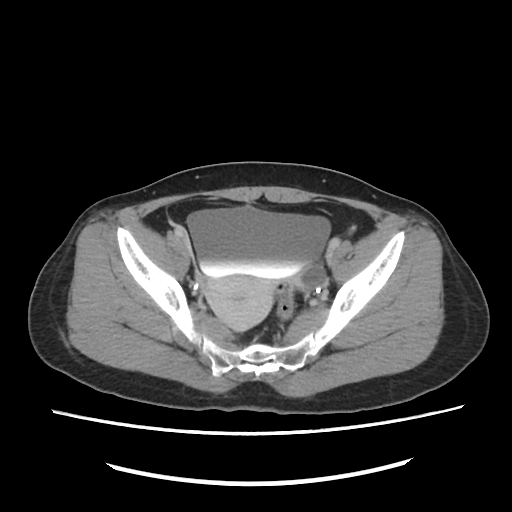 CT, abdomen/pelvis · Axial slice 23/85 · acquired on Aquilion ONE · scan has 15 labeled organs (a whole-scan count: organs this slice does not pass through have no box)
<organs><organ name="bladder" x1="186" y1="208" x2="330" y2="279"/><organ name="prostate/uterus" x1="202" y1="264" x2="328" y2="329"/></organs>